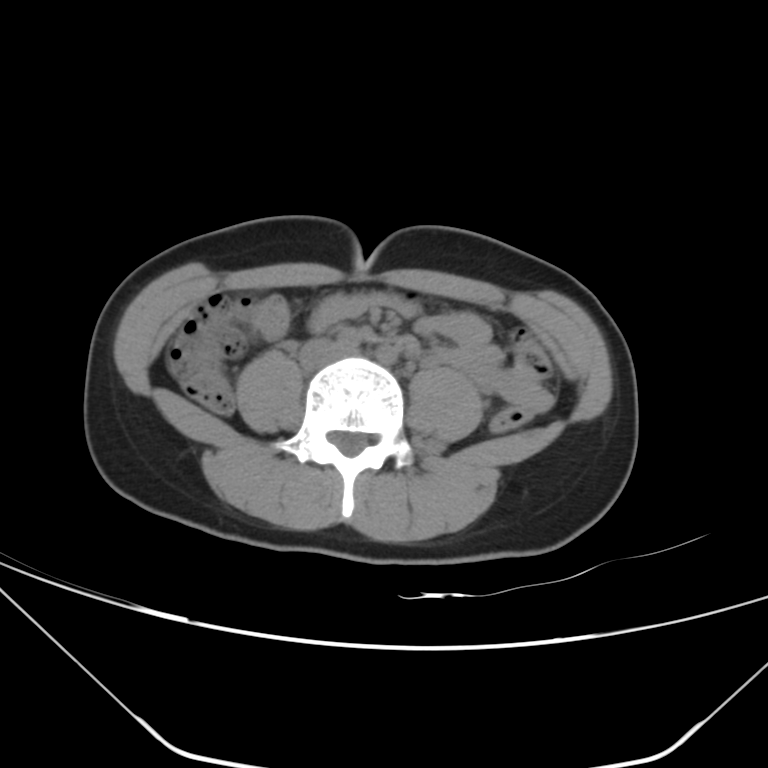

CT abdomen · axial plane, index 35 · abdomen soft-tissue window
<organs><organ name="inferior vena cava" x1="299" y1="338" x2="346" y2="368"/></organs>